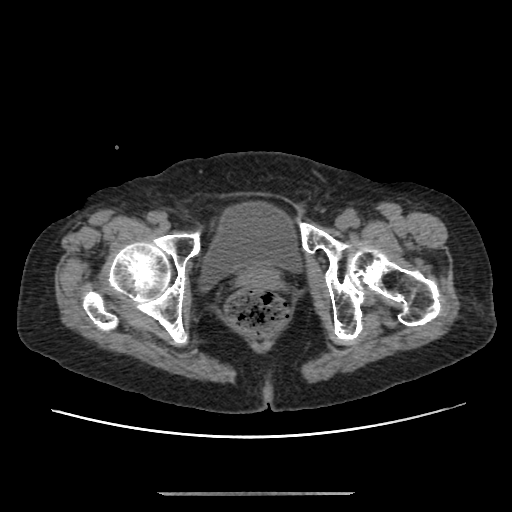

CT, abdomen/pelvis; axial view; SOMATOM Force scanner
Boxes: x1 y1 x2 y2 (pixel coords, space-separated).
prostate/uterus: 238 265 280 288
bladder: 200 202 301 288